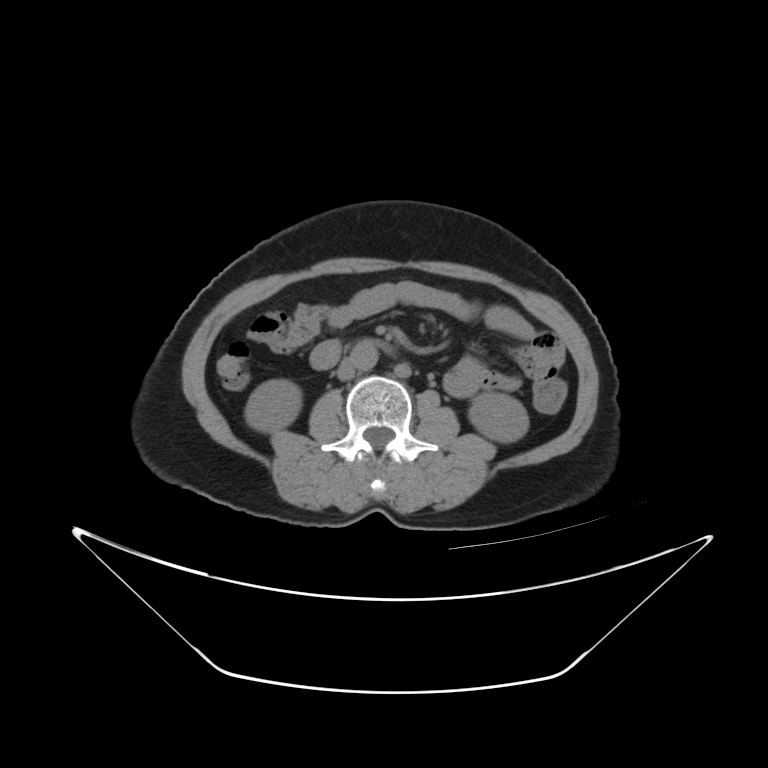
CT abdomen · axial view · 768x768 px · acquired on Brilliance16 · scan has 15 labeled organs (a whole-scan count: organs this slice does not pass through have no box)
Boxes: x1:y1:x2:y2 in pixels.
right kidney: 245:379:300:427
left kidney: 466:393:530:442
aorta: 349:339:378:369
inferior vena cava: 336:359:355:379